CT, abdomen/pelvis — axial view — scan has 15 labeled organs (a whole-scan count: organs this slice does not pass through have no box)
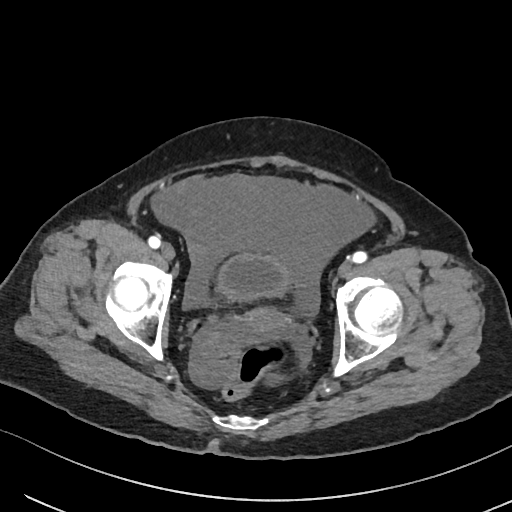 Organ boxes in pixel coordinates; each row gives the top-left (x1, y1) and bottom-right (x2, y2) corners.
| organ | x1 | y1 | x2 | y2 |
|---|---|---|---|---|
| bladder | 218 | 254 | 288 | 299 |
| prostate/uterus | 222 | 307 | 291 | 336 |